CT of the abdomen reaching into the lower chest, slice just above the liver and spleen · axial view · W/L 400/40 HU · 512x512 px
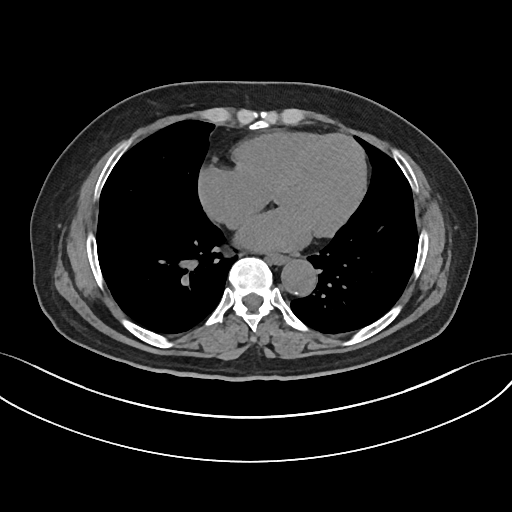
The heart and lungs are never labeled in this dataset, so they have no box on this slice.
One row per box, in pixels: columns x1 and y1 give the top-left corner, x2 and y2 the bottom-right.
| organ | x1 | y1 | x2 | y2 |
|---|---|---|---|---|
| esophagus | 268 | 254 | 288 | 264 |
| aorta | 281 | 259 | 316 | 295 |